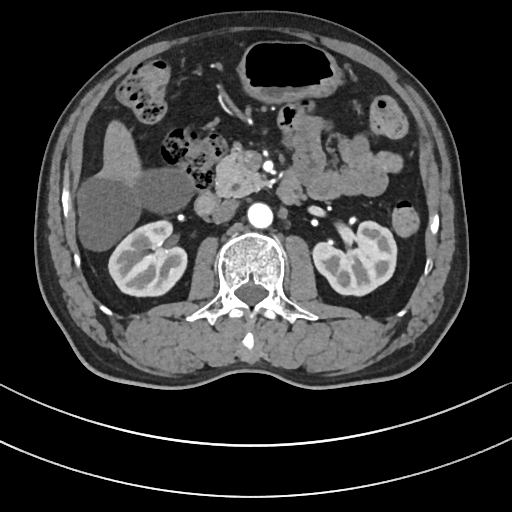
CT abdomen · axial view · soft-tissue window (W 400 / L 40)
{"organs":{"right kidney":[108,220,186,296],"left kidney":[313,221,396,295],"liver":[76,120,191,248],"stomach":[239,40,341,102],"aorta":[247,203,272,228],"inferior vena cava":[211,199,238,223],"pancreas":[215,143,266,196],"duodenum":[195,172,302,215]}}